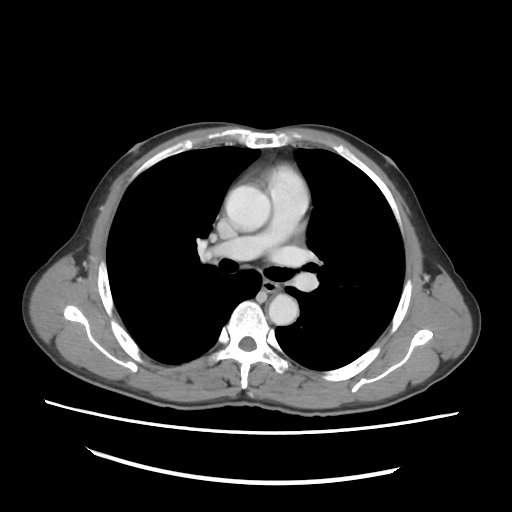

CT of the abdomen extending into the chest, slice through the chest · axial plane, index 89 · W/L 400/40 HU · Aquilion ONE scanner · scan has 15 labeled organs (counted over the whole 3D scan, not this slice; an organ is boxed only where this slice passes through it)
At this level of the chest no structure but the esophagus and the aorta has a label in this dataset, and those two are boxed only where they are labeled.
Boxes: x1:y1:x2:y2 in pixels.
Organ bounding boxes:
- esophagus: 265:283:278:291
- aorta: 225:185:270:231
- aorta: 268:294:298:325